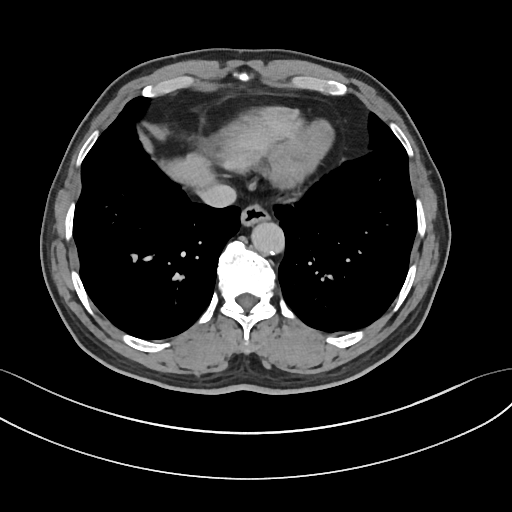 CT, abdomen/pelvis. axial view. soft-tissue window (W 400 / L 40)
Organ boxes in pixel coordinates; each row gives the top-left (x1, y1) and bottom-right (x2, y2) corners.
| organ | x1 | y1 | x2 | y2 |
|---|---|---|---|---|
| inferior vena cava | 198 | 185 | 235 | 207 |
| liver | 161 | 153 | 215 | 188 |
| aorta | 250 | 221 | 283 | 253 |
| esophagus | 240 | 202 | 270 | 224 |